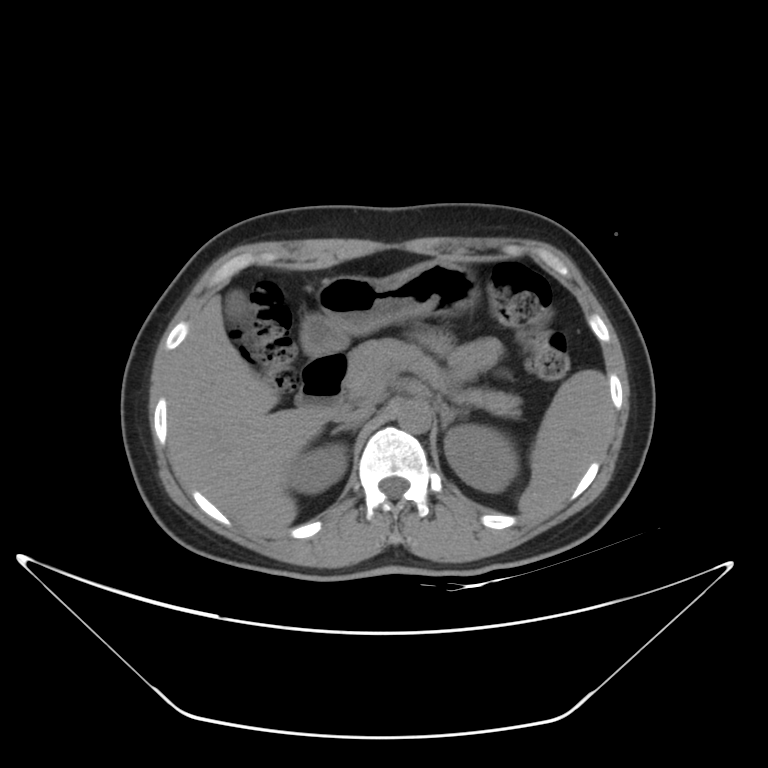

Computed tomography, abdomen; axial view; W/L 400/40 HU; 768x768 px; 15 organs annotated in this scan (that count is for the whole scan; organs this slice misses have no box)
Boxes: x1 y1 x2 y2 (pixel coords, space-separated).
spleen: 518 369 611 516
right kidney: 287 443 347 494
left kidney: 444 424 517 492
gall bladder: 229 290 248 318
liver: 166 295 331 537
stomach: 301 260 477 355
aorta: 397 399 430 433
inferior vena cava: 337 404 374 426
pancreas: 345 338 521 417
right adrenal gland: 330 426 356 435
left adrenal gland: 439 403 468 430
duodenum: 295 350 347 414